CT, abdomen/pelvis — Axial slice 51/85 — abdomen soft-tissue window — 512x512 px — scan has 15 labeled organs (a whole-scan count: organs this slice does not pass through have no box)
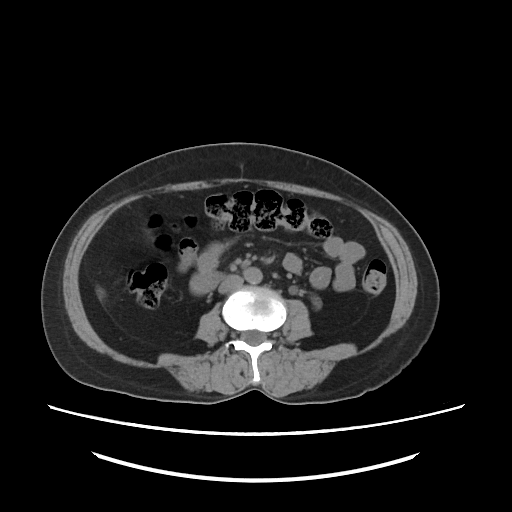
Organ boxes in pixel coordinates; each row gives the top-left (x1, y1) and bottom-right (x2, y2) corners.
| organ | x1 | y1 | x2 | y2 |
|---|---|---|---|---|
| liver | 97 | 288 | 104 | 298 |
| aorta | 244 | 267 | 264 | 282 |
| inferior vena cava | 218 | 276 | 243 | 293 |
| duodenum | 189 | 270 | 221 | 293 |